Computed tomography, abdomen · Axial slice 73/99 · soft-tissue window (W 400 / L 40)
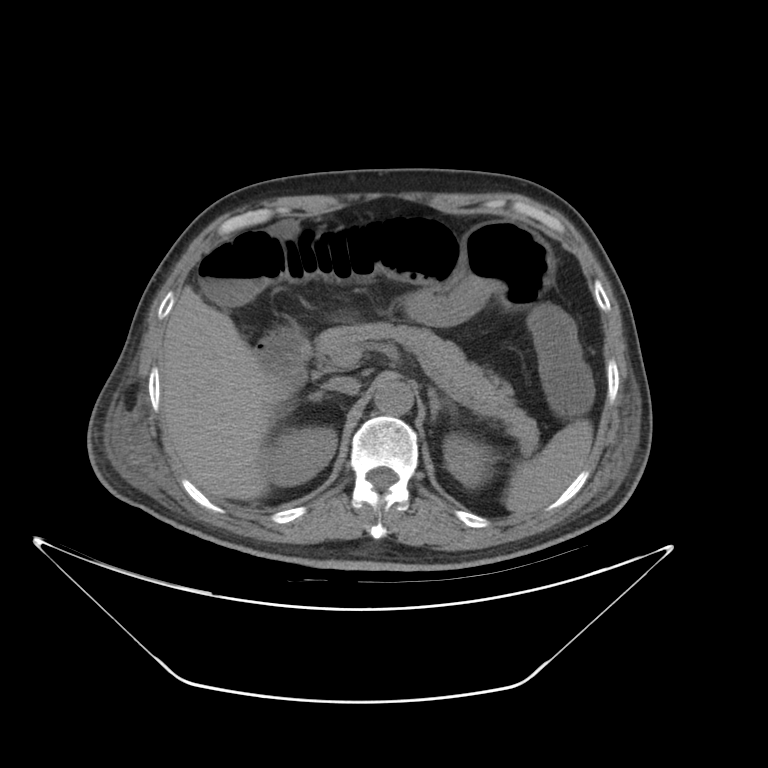
Organ boxes in pixel coordinates; each row gives the top-left (x1, y1) and bottom-right (x2, y2) corners.
| organ | x1 | y1 | x2 | y2 |
|---|---|---|---|---|
| liver | 161 | 287 | 293 | 503 |
| right kidney | 259 | 428 | 333 | 481 |
| spleen | 504 | 421 | 595 | 517 |
| left kidney | 442 | 437 | 489 | 489 |
| right adrenal gland | 309 | 392 | 327 | 399 |
| inferior vena cava | 326 | 378 | 361 | 394 |
| pancreas | 315 | 324 | 540 | 456 |
| aorta | 372 | 379 | 413 | 415 |
| stomach | 406 | 218 | 554 | 377 |
| left adrenal gland | 428 | 386 | 455 | 420 |
| duodenum | 256 | 333 | 312 | 386 |